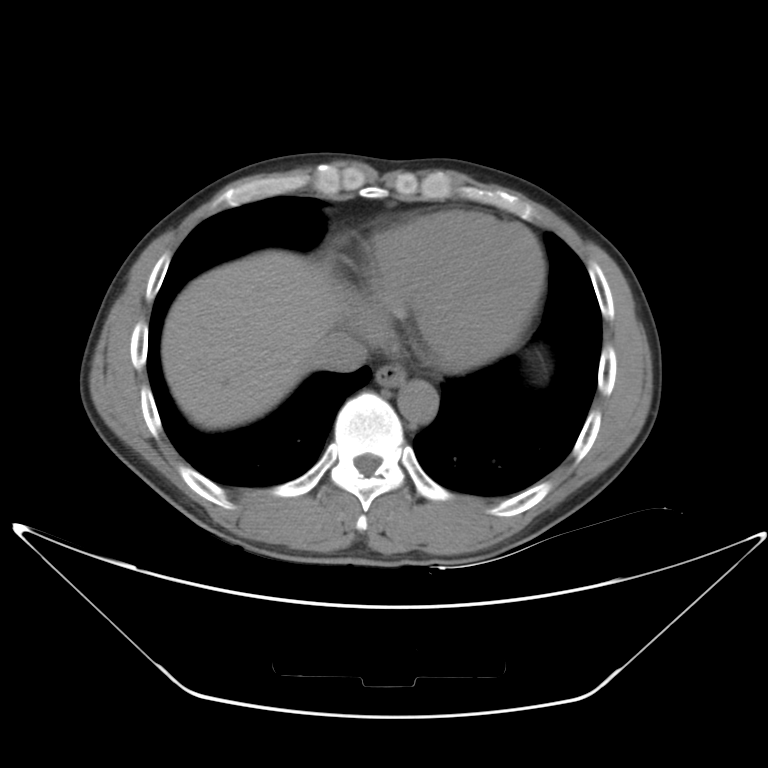
Computed tomography, abdomen — axial view — soft-tissue window (W 400 / L 40) — 768x768 px — acquired on Brilliance16
<organs><organ name="aorta" x1="398" y1="379" x2="439" y2="426"/><organ name="liver" x1="162" y1="248" x2="343" y2="429"/><organ name="inferior vena cava" x1="311" y1="330" x2="369" y2="372"/><organ name="esophagus" x1="376" y1="362" x2="407" y2="388"/></organs>